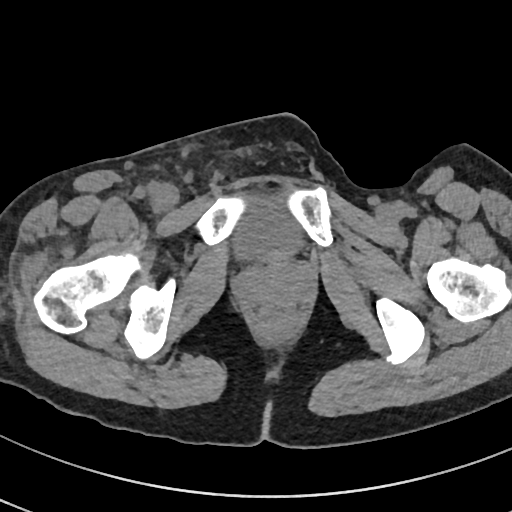 CT, abdomen/pelvis. Axial slice 12/218. W/L 400/40 HU. 512x512 px
Box edges are left/top/right/bottom in pixels. 1 labeled organ on this slice — bladder at left=233, top=206, right=300, bottom=258.